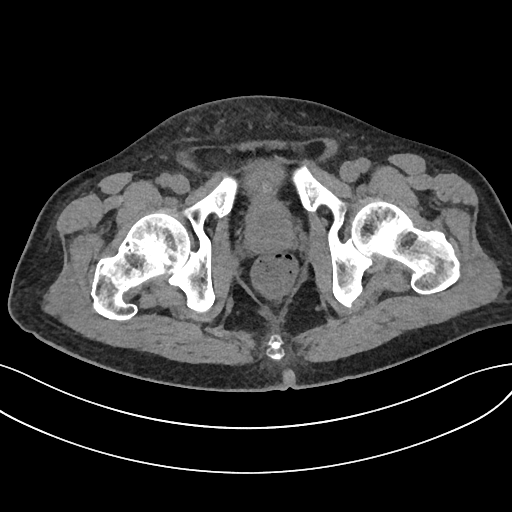
CT, abdomen/pelvis. axial view
{"organs":{"bladder":[246,161,282,211],"prostate/uterus":[246,208,293,252]}}